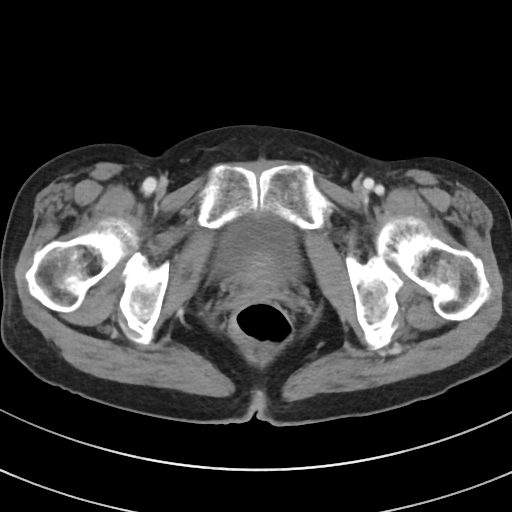
CT, abdomen/pelvis; axial view; W/L 400/40 HU; 15 organs annotated in this scan (a whole-scan count: organs this slice does not pass through have no box)
Box edges are left/top/right/bottom in pixels.
bladder: left=217, top=214, right=298, bottom=276
prostate/uterus: left=236, top=260, right=282, bottom=287